CT, abdomen/pelvis · axial view · soft-tissue window (W 400 / L 40) · 40-year-old male patient
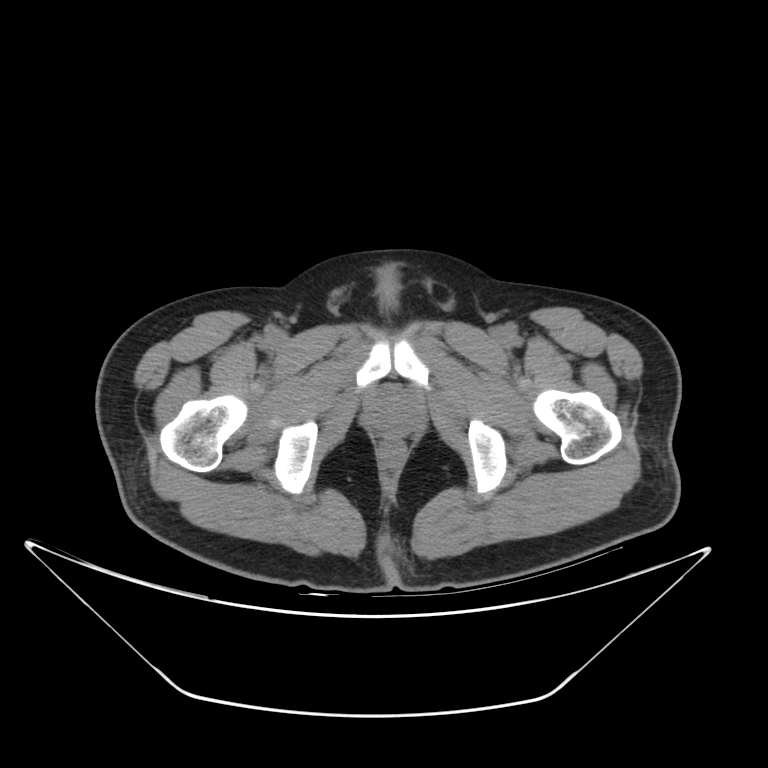
<organs><organ name="prostate/uterus" x1="372" y1="393" x2="418" y2="435"/></organs>